Computed tomography, abdomen — axial view
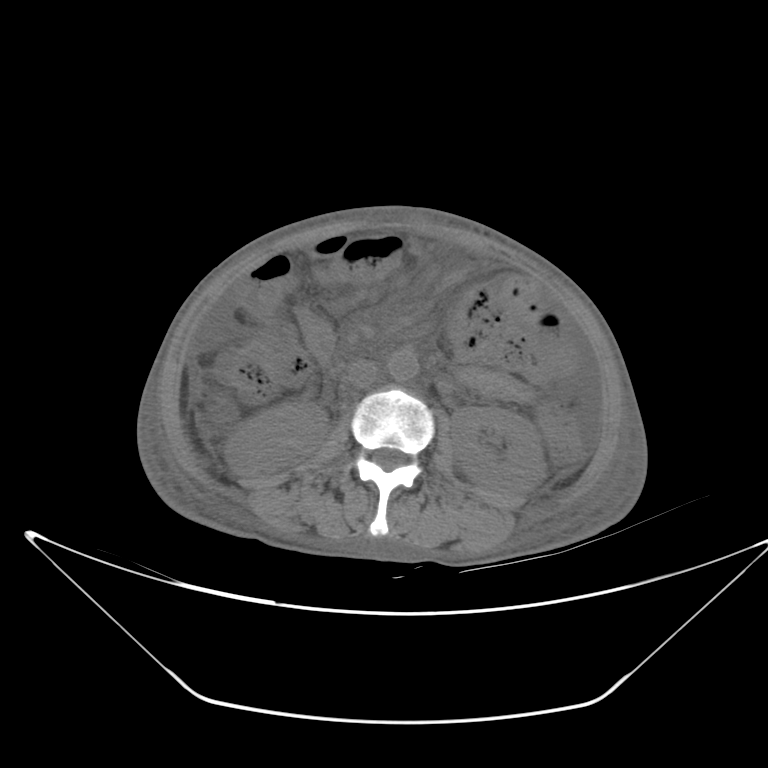 <organs><organ name="right kidney" x1="224" y1="402" x2="327" y2="476"/><organ name="left kidney" x1="451" y1="406" x2="546" y2="498"/><organ name="aorta" x1="388" y1="349" x2="418" y2="381"/><organ name="inferior vena cava" x1="346" y1="360" x2="378" y2="388"/><organ name="duodenum" x1="301" y1="312" x2="338" y2="364"/></organs>